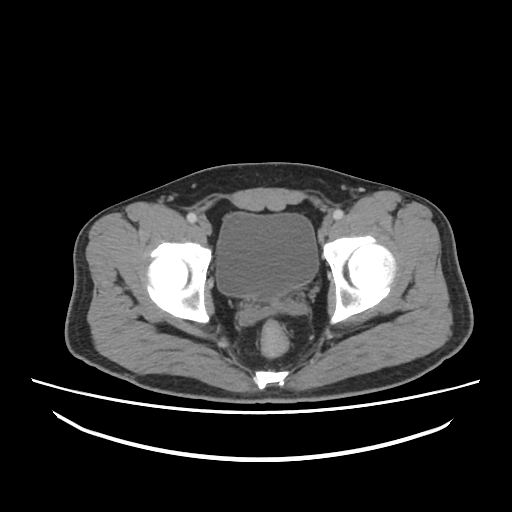
CT, abdomen/pelvis — axial view — soft-tissue window (W 400 / L 40) — 31-year-old male patient — Aquilion ONE scanner — scan has 15 labeled organs (counted over the whole 3D scan, not this slice; an organ is boxed only where this slice passes through it)
Bounding boxes as [x1, y1, x2, y2] in pixel coordinates.
bladder: [216, 212, 318, 299]